CT abdomen. axial plane, index 125. soft-tissue window. 512x512 px
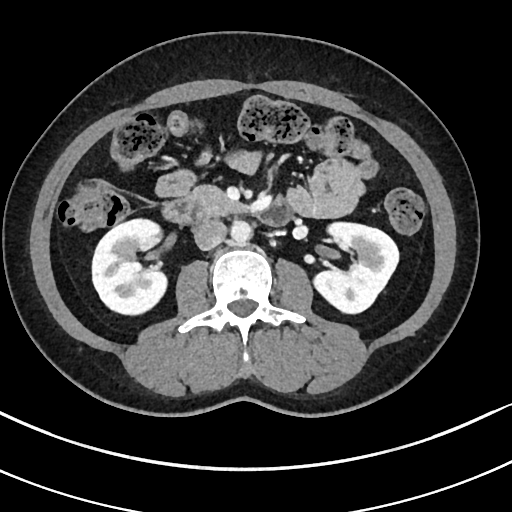

Organ boxes in pixel coordinates; each row gives the top-left (x1, y1) and bottom-right (x2, y2) corners.
| organ | x1 | y1 | x2 | y2 |
|---|---|---|---|---|
| left kidney | 313 | 221 | 398 | 314 |
| duodenum | 165 | 197 | 291 | 226 |
| right kidney | 92 | 217 | 165 | 313 |
| pancreas | 190 | 186 | 245 | 215 |
| inferior vena cava | 194 | 219 | 227 | 250 |
| aorta | 230 | 220 | 251 | 242 |